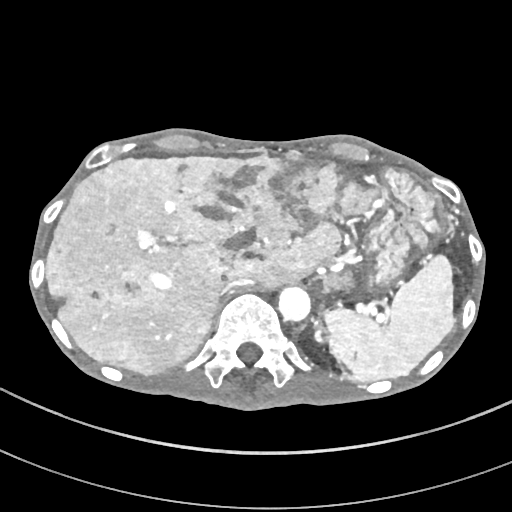

CT, abdomen/pelvis — axial plane, index 171 — abdomen soft-tissue window — 512x512 px — SOMATOM Force scanner
Box edges are left/top/right/bottom in pixels. Labeled organs on this slice: spleen at left=325, top=254, right=454, bottom=381, liver at left=46, top=151, right=380, bottom=374, stomach at left=364, top=167, right=442, bottom=290, aorta at left=278, top=286, right=310, bottom=321, inferior vena cava at left=219, top=281, right=254, bottom=295, left adrenal gland at left=315, top=324, right=325, bottom=344.